CT, abdomen/pelvis. Axial slice 73/102. 16-year-old male patient
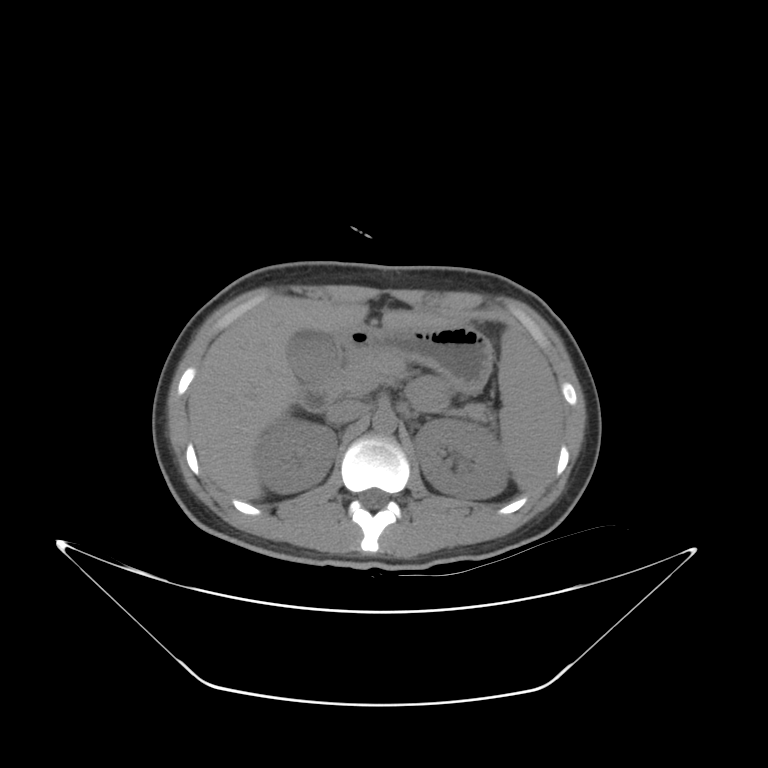 Coordinates as <box>x1,y1,x2,y2</box> in pixels.
spleen: <box>497,330,560,488</box>
right kidney: <box>259,421,338,492</box>
left kidney: <box>416,417,506,500</box>
gall bladder: <box>288,329,338,379</box>
liver: <box>188,296,466,500</box>
stomach: <box>347,328,492,391</box>
aorta: <box>373,410,396,436</box>
inferior vena cava: <box>326,401,365,425</box>
pancreas: <box>322,355,494,422</box>
duodenum: <box>300,334,349,408</box>